Abdominal CT; this slice is in the lower chest, just above the liver; axial plane, index 228; scan has 15 labeled organs (a whole-scan count: organs this slice does not pass through have no box)
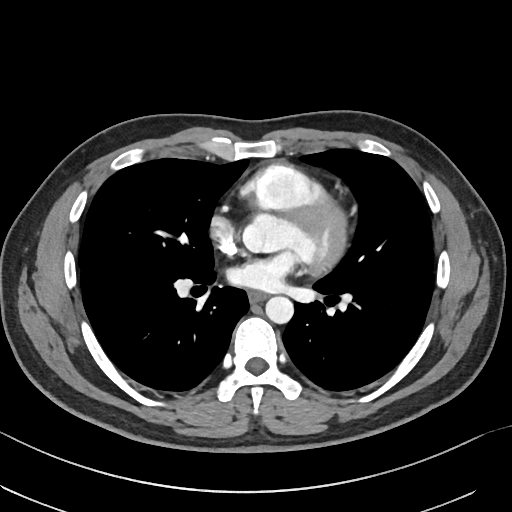
No part of the heart or lungs is labeled in this dataset, so neither has a box here. Boxes are (x1, y1, x2, y2) in pixels. 2 labeled organs on this slice — esophagus at (248, 291, 266, 302); aorta at (265, 296, 293, 323).